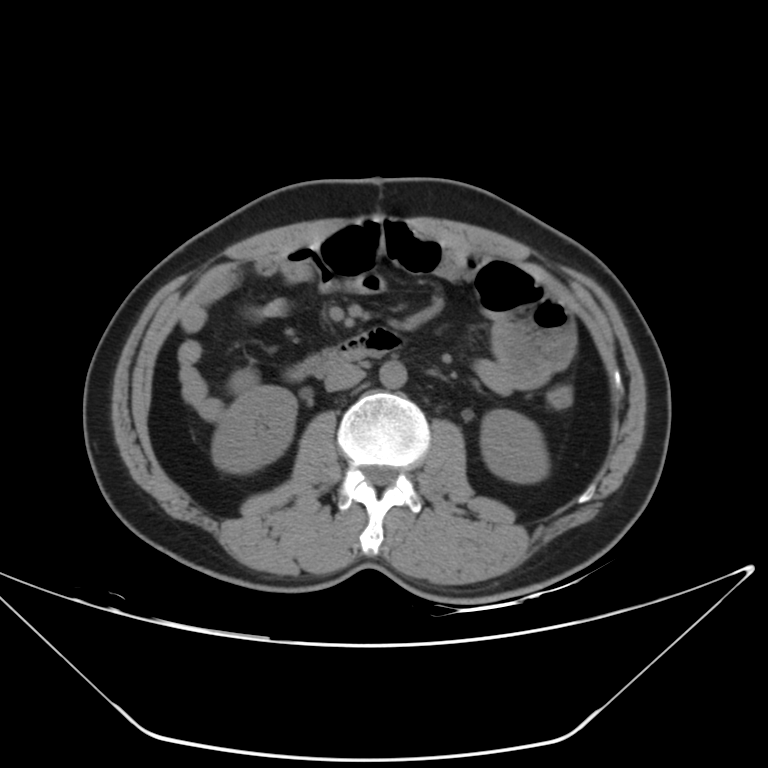

CT, abdomen/pelvis; axial plane, index 57; 768x768 px
Boxes: x1:y1:x2:y2 in pixels.
Organ bounding boxes:
- right kidney: 212:385:296:472
- left kidney: 481:409:548:482
- aorta: 379:361:407:388
- inferior vena cava: 325:363:364:391
- duodenum: 288:328:401:379